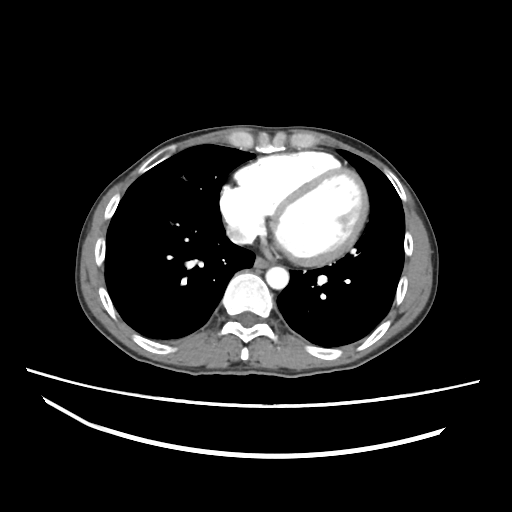
CT of the abdomen reaching into the lower chest, slice just above the liver and spleen; axial view; soft-tissue window, W/L 400/40; 512x512 px; Aquilion ONE scanner; scan has 15 labeled organs (counted over the whole 3D scan, not this slice; an organ is boxed only where this slice passes through it)
No part of the heart or lungs is labeled in this dataset, so neither has a box here. Boxes: x1 y1 x2 y2 (pixel coords, space-separated). 3 labeled organs on this slice — esophagus at 254 256 272 267; aorta at 265 266 288 289; inferior vena cava at 227 226 254 244.